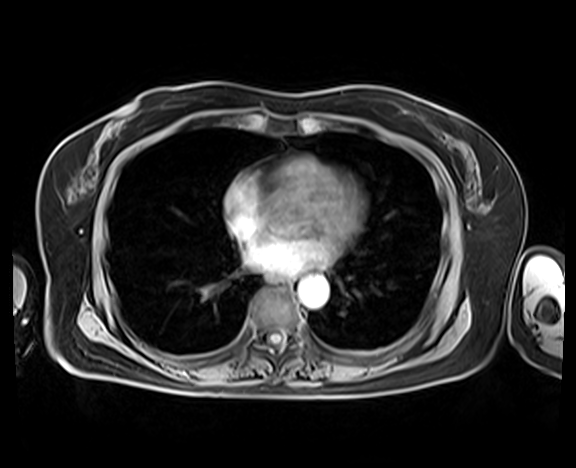 Abdominal MRI; this slice is in the lower chest, just above the liver. axial view. 576x468 px. 12 organs annotated in this scan (that count is for the whole scan; organs this slice misses have no box)
Of the structures in the chest, this dataset labels only the esophagus, the aorta and the inferior vena cava; the heart and lungs have no label.
Bounding boxes as [x1, y1, x2, y2] in pixel coordinates.
esophagus: [277, 278, 288, 287]
aorta: [298, 275, 329, 308]